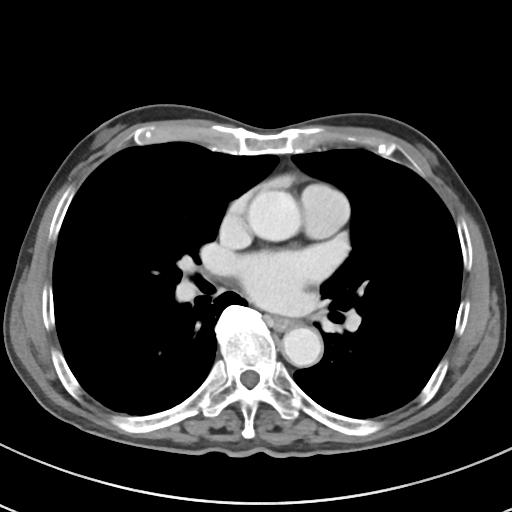

Abdominal CT reaching into the chest; this slice is in the chest · axial view · 512x512 px
On a slice this high in the chest, this dataset labels only the esophagus and the aorta, and each is boxed only where it is labeled; the heart, lungs and other chest structures are not labeled.
<organs><organ name="esophagus" x1="274" y1="316" x2="294" y2="330"/><organ name="aorta" x1="248" y1="191" x2="300" y2="240"/><organ name="aorta" x1="282" y1="327" x2="322" y2="367"/></organs>